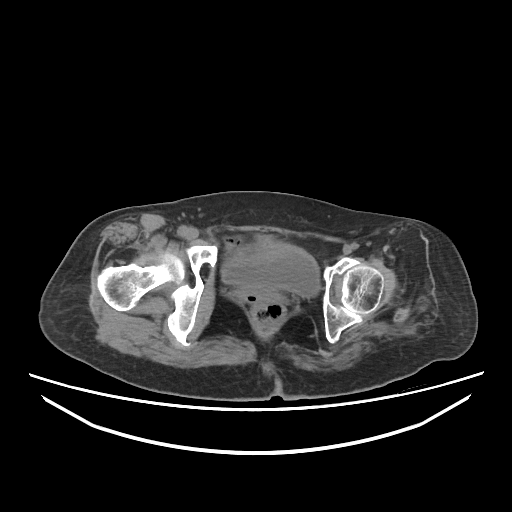 CT abdomen; axial plane, index 12; soft-tissue window (W 400 / L 40); 49-year-old female patient; Aquilion ONE scanner; scan has 15 labeled organs (counted over the whole 3D scan, not this slice; an organ is boxed only where this slice passes through it)
Boxes: x1 y1 x2 y2 (pixel coords, space-separated). 1 labeled organ on this slice — bladder at 221 243 320 297.